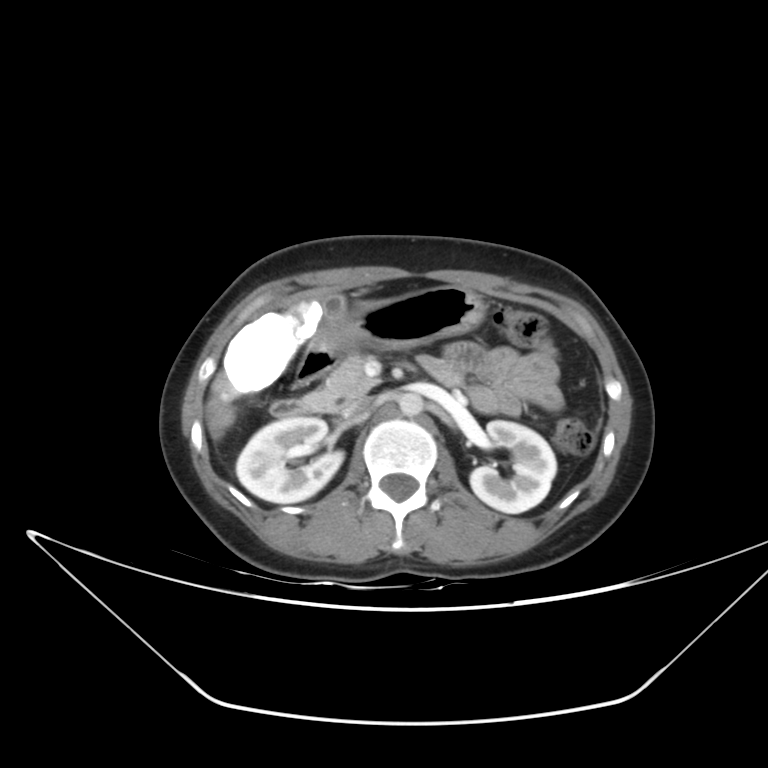 CT, abdomen/pelvis. axial plane, index 12. soft-tissue window. 34-year-old female patient. scan has 13 labeled organs (counted over the whole 3D scan, not this slice; an organ is boxed only where this slice passes through it)
<organs><organ name="right kidney" x1="236" y1="416" x2="343" y2="503"/><organ name="left kidney" x1="470" y1="420" x2="556" y2="513"/><organ name="gall bladder" x1="323" y1="297" x2="344" y2="318"/><organ name="liver" x1="205" y1="299" x2="373" y2="440"/><organ name="stomach" x1="310" y1="285" x2="485" y2="358"/><organ name="aorta" x1="399" y1="392" x2="423" y2="416"/><organ name="inferior vena cava" x1="343" y1="398" x2="371" y2="416"/><organ name="pancreas" x1="297" y1="354" x2="377" y2="411"/><organ name="duodenum" x1="270" y1="346" x2="461" y2="418"/></organs>